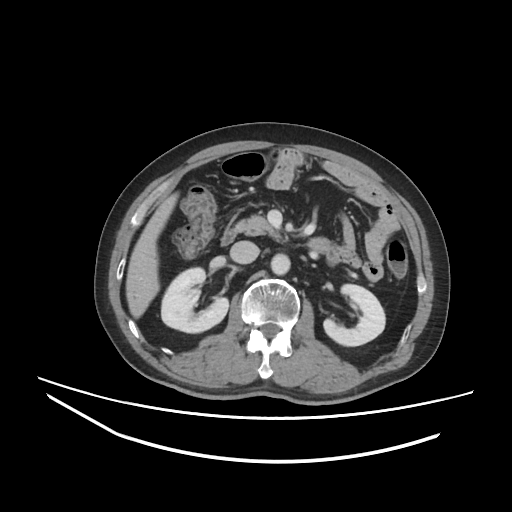 Computed tomography, abdomen. axial plane, index 60. W/L 400/40 HU
<organs><organ name="right kidney" x1="161" y1="267" x2="228" y2="333"/><organ name="left kidney" x1="323" y1="284" x2="385" y2="346"/><organ name="liver" x1="126" y1="192" x2="178" y2="318"/><organ name="aorta" x1="270" y1="254" x2="290" y2="275"/><organ name="inferior vena cava" x1="230" y1="241" x2="259" y2="263"/><organ name="pancreas" x1="235" y1="215" x2="280" y2="239"/><organ name="duodenum" x1="221" y1="229" x2="317" y2="248"/></organs>